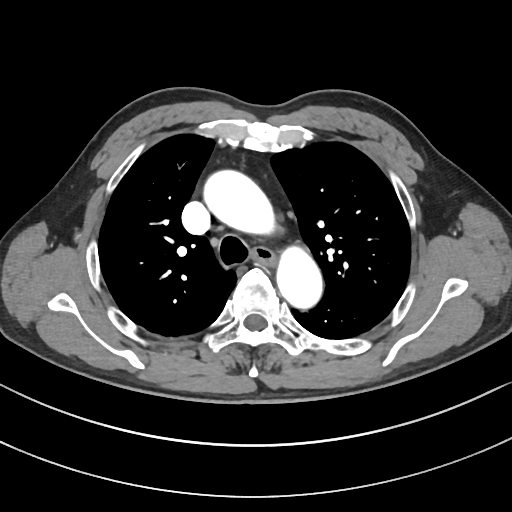
Abdominal CT reaching into the chest; this slice is in the chest; axial view; 512x512 px; acquired on SOMATOM Force
On a slice this high in the chest, this dataset labels only the esophagus and the aorta, and each is boxed only where it is labeled; the heart, lungs and other chest structures are not labeled. Boxes: x1:y1:x2:y2 in pixels. 2 labeled organs on this slice — esophagus at 252:247:272:263; aorta at 204:170:275:234; aorta at 276:246:322:308.